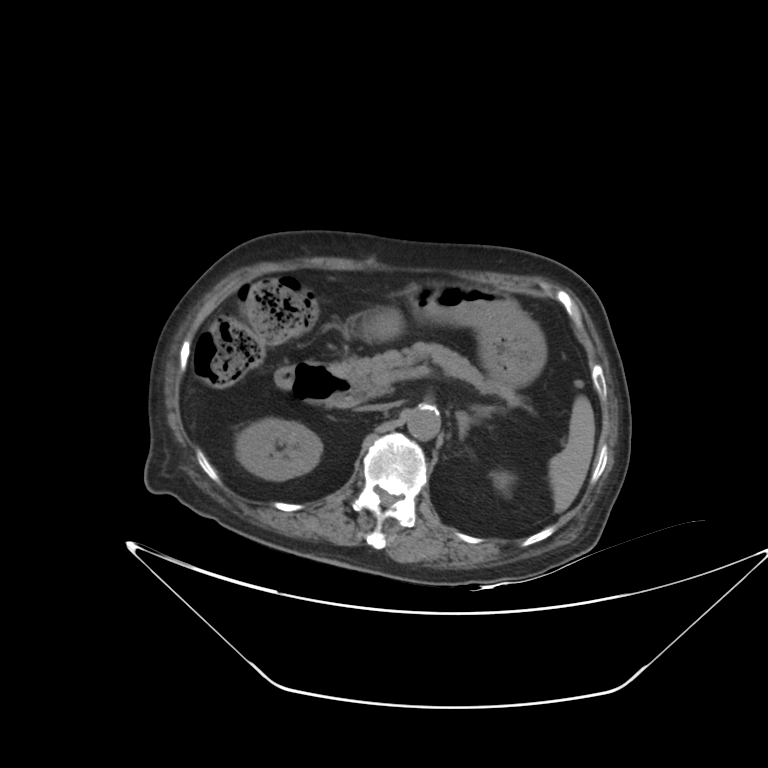

CT abdomen; axial view; soft-tissue window (W 400 / L 40); 768x768 px; 80-year-old female patient; 15 organs annotated in this scan (that count is for the whole scan; organs this slice misses have no box)
<organs><organ name="spleen" x1="549" y1="395" x2="595" y2="513"/><organ name="duodenum" x1="275" y1="362" x2="356" y2="407"/><organ name="left adrenal gland" x1="456" y1="411" x2="476" y2="440"/><organ name="aorta" x1="407" y1="405" x2="440" y2="440"/><organ name="stomach" x1="361" y1="282" x2="546" y2="388"/><organ name="right kidney" x1="235" y1="418" x2="322" y2="480"/><organ name="inferior vena cava" x1="361" y1="403" x2="392" y2="411"/><organ name="pancreas" x1="330" y1="341" x2="520" y2="405"/><organ name="left kidney" x1="492" y1="470" x2="514" y2="494"/></organs>